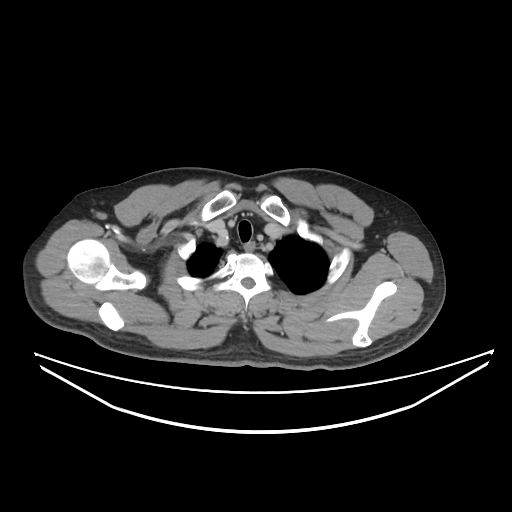
Chest-level CT slice, above the liver and spleen · Axial slice 125/131 · soft-tissue window (W 400 / L 40) · 40-year-old male patient · scan has 15 labeled organs (a whole-scan count: organs this slice does not pass through have no box)
At this level of the chest no structure but the esophagus and the aorta has a label in this dataset, and those two are boxed only where they are labeled.
Bounding boxes as [x1, y1, x2, y2] in pixel coordinates.
esophagus: [244, 242, 255, 252]